CT abdomen. axial view. soft-tissue window (W 400 / L 40)
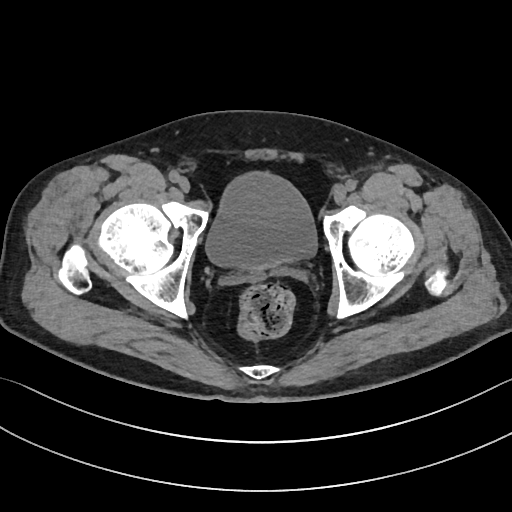 Bounding boxes as [x1, y1, x2, y2] in pixel coordinates.
bladder: [206, 172, 317, 269]